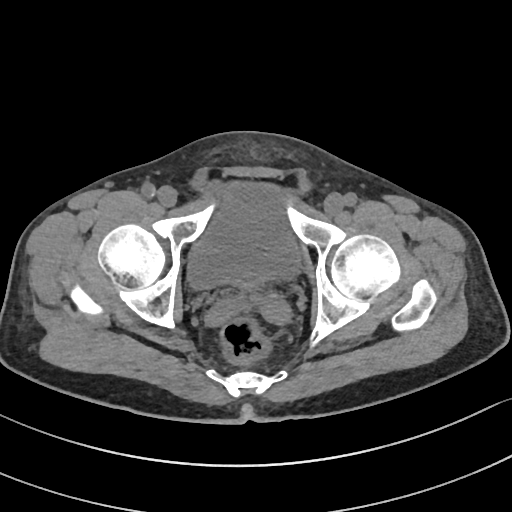 CT, abdomen/pelvis — Axial slice 22/206 — soft-tissue window — 512x512 px
Coordinates as <box>x1,y1,x2,y2</box> in pixels.
Organ bounding boxes:
- bladder: <box>188,184,295,287</box>